Computed tomography, abdomen · axial view
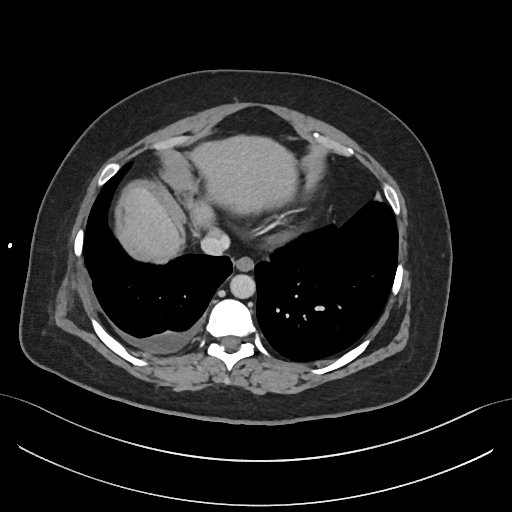 Box edges are left/top/right/bottom in pixels. 4 labeled organs on this slice — aorta at left=230, top=275, right=255, bottom=298; esophagus at left=233, top=257, right=253, bottom=271; liver at left=123, top=135, right=297, bottom=258; inferior vena cava at left=200, top=234, right=229, bottom=256.